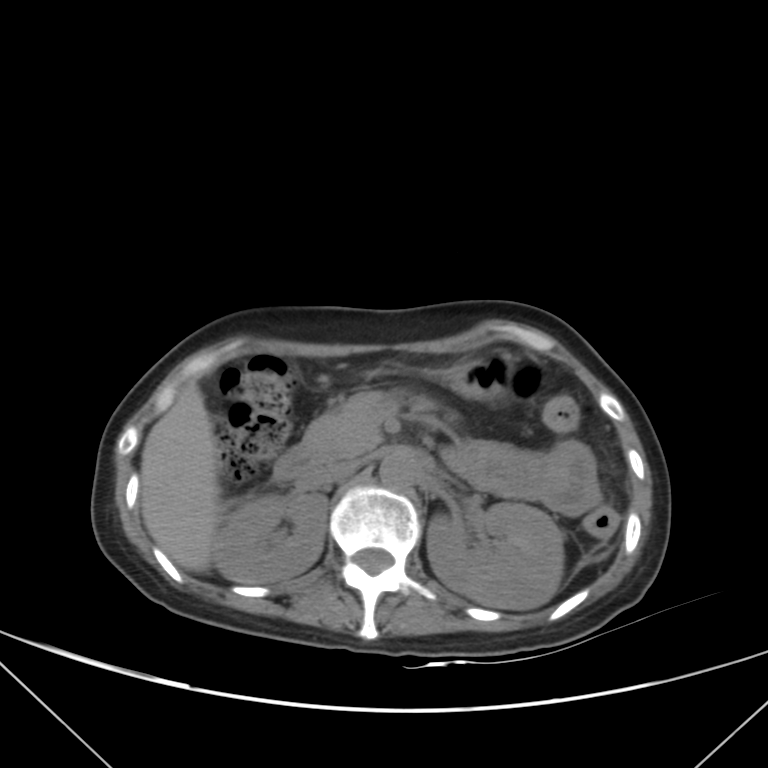
Computed tomography, abdomen. axial view. soft-tissue window. 39-year-old female patient. scan has 15 labeled organs (that count is for the whole scan; organs this slice misses have no box)
{"organs":{"pancreas":[301,391,397,461],"liver":[140,381,222,572],"duodenum":[272,445,320,481],"left kidney":[426,502,564,610],"inferior vena cava":[315,460,359,483],"aorta":[379,450,419,488],"stomach":[436,353,516,396],"right kidney":[215,492,327,583]}}